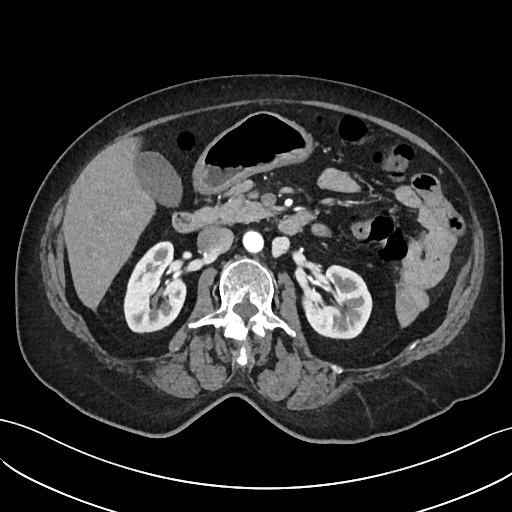 CT abdomen; axial view; soft-tissue window
Boxes: x1 y1 x2 y2 (pixel coords, space-separated).
right kidney: 124 241 185 332
left kidney: 303 265 372 338
gall bladder: 135 152 181 206
liver: 62 138 155 309
stomach: 192 112 314 194
aorta: 242 231 263 252
inferior vena cava: 197 226 233 255
pancreas: 195 180 272 225
duodenum: 172 212 311 234